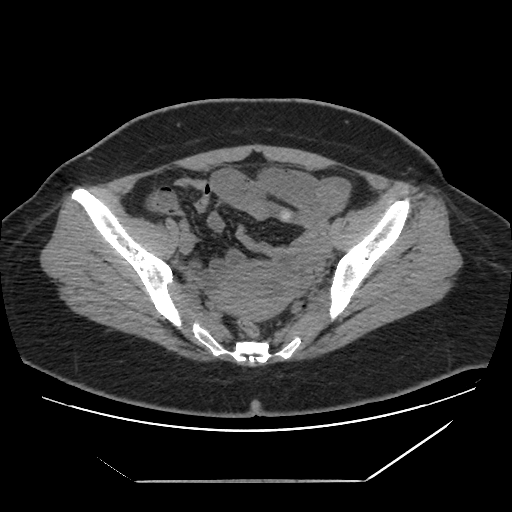

CT abdomen; axial view; scan has 15 labeled organs (that count is for the whole scan; organs this slice misses have no box)
Boxes: x1 y1 x2 y2 (pixel coords, space-separated). 1 labeled organ on this slice — prostate/uterus at 216 262 300 320.